Abdominal MRI — axial view — 1st–99th percentile window — 576x468 px — Prisma scanner
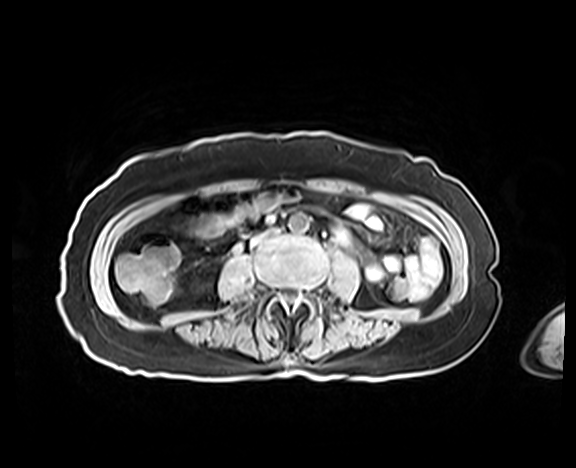

Boxes: x1:y1:x2:y2 in pixels.
Organ bounding boxes:
- aorta: 288:212:308:232
- inferior vena cava: 250:227:280:246